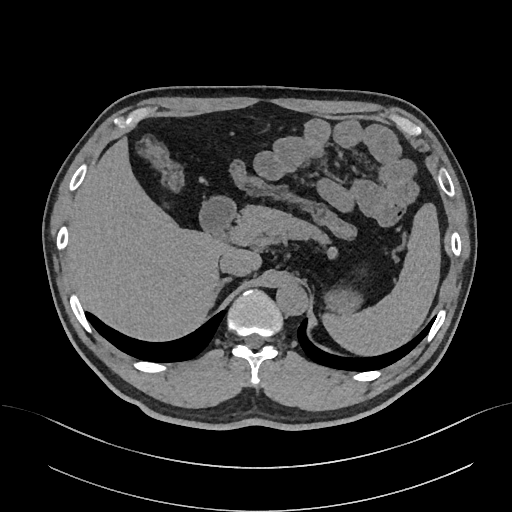
Abdominal CT. Axial slice 201/265
Boxes are (x1, y1, x2, y2) in pixels. Labeled organs on this slice: aorta at (276, 282, 308, 316), liver at (67, 136, 262, 340), spleen at (322, 204, 440, 354), stomach at (322, 291, 361, 315), duodenum at (199, 194, 237, 233), inferior vena cava at (219, 250, 251, 277), right adrenal gland at (216, 278, 231, 297), pancreas at (238, 206, 325, 241).